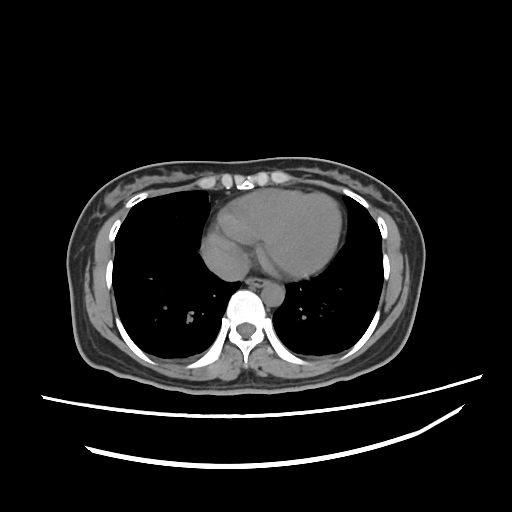

Lower-chest slice from an abdominal CT, just above the liver and spleen — axial view
Of the structures in the chest, this dataset labels only the esophagus, the aorta and the inferior vena cava; the heart and lungs have no label.
<organs><organ name="esophagus" x1="247" y1="278" x2="269" y2="285"/><organ name="aorta" x1="262" y1="282" x2="284" y2="304"/><organ name="inferior vena cava" x1="205" y1="252" x2="250" y2="281"/></organs>